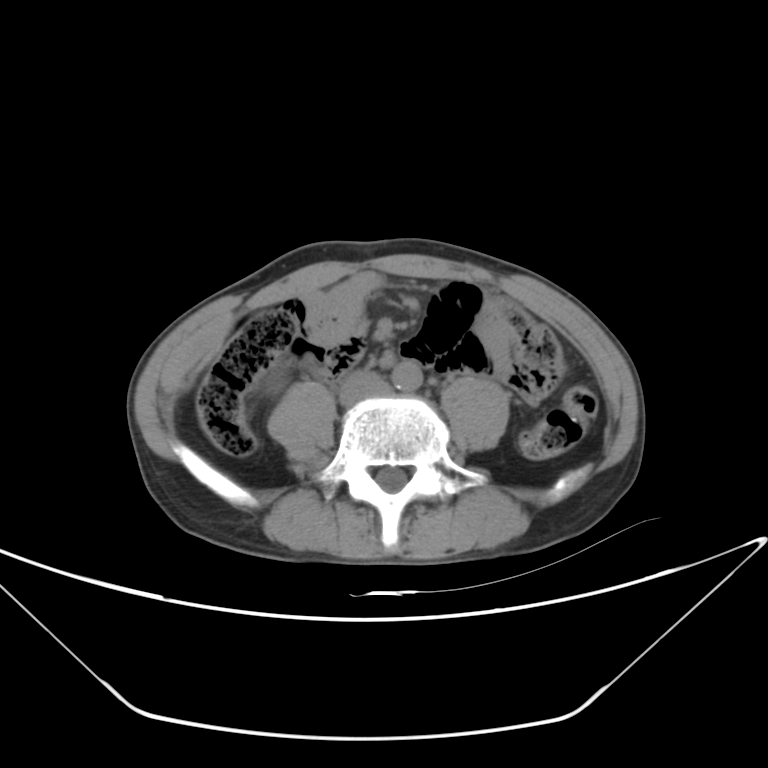

CT abdomen · axial view · soft-tissue window (W 400 / L 40) · 768x768 px
Each box given as x1,y1,x2,y2.
aorta: x1=392, y1=360, x2=422, y2=390
inferior vena cava: x1=339, y1=371, x2=390, y2=405